CT, abdomen/pelvis. axial view. 768x768 px
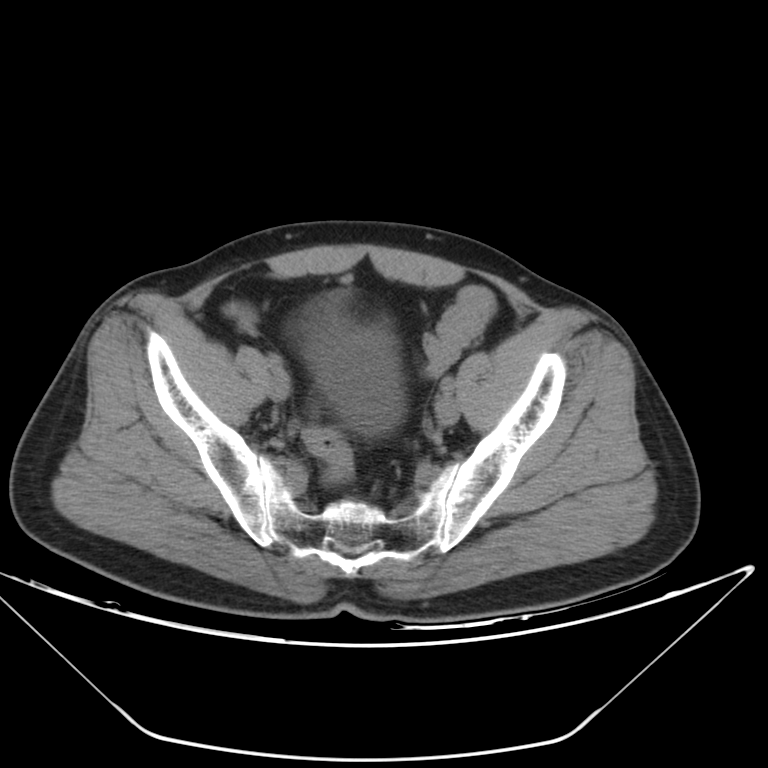
Boxes: x1:y1:x2:y2 in pixels. 1 labeled organ on this slice — bladder at 305:322:404:434.